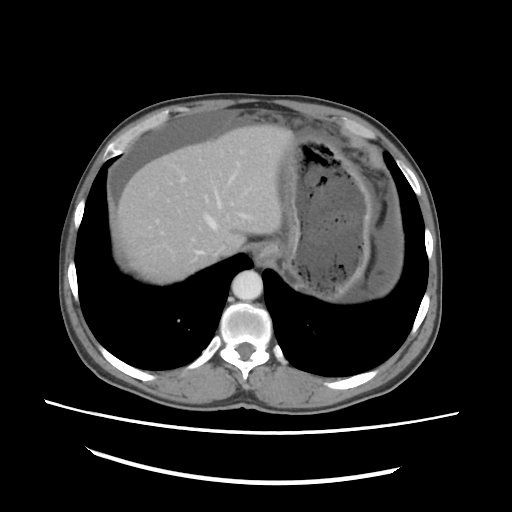
Abdominal CT. axial view
Boxes: x1 y1 x2 y2 (pixel coords, space-separated).
liver: 117 124 295 284
stomach: 271 135 373 299
esophagus: 252 243 273 265
aorta: 232 270 262 300
inferior vena cava: 205 240 233 259